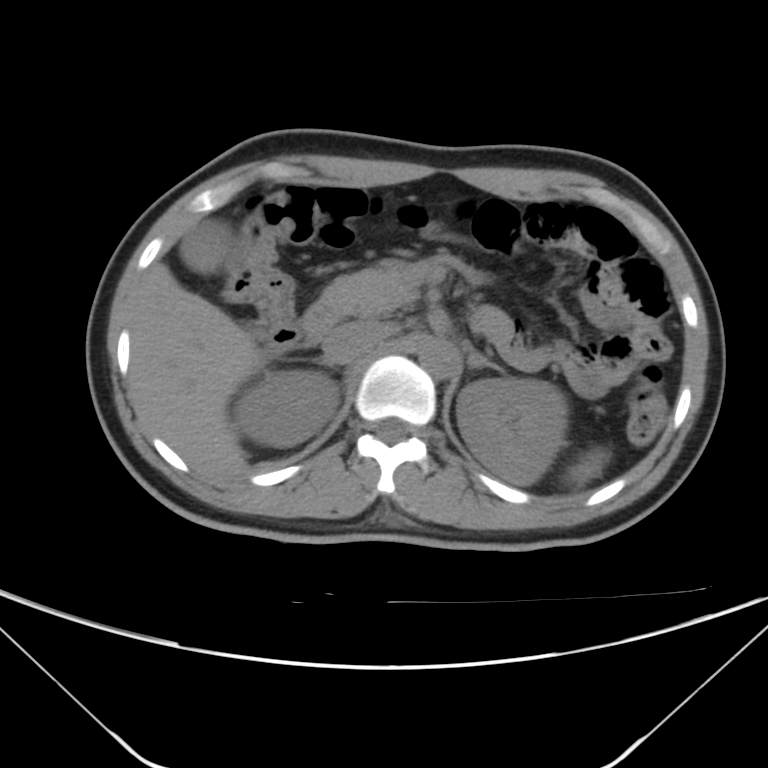
Abdominal CT — axial view — abdomen soft-tissue window — 24-year-old male patient
<organs><organ name="spleen" x1="565" y1="447" x2="609" y2="487"/><organ name="right kidney" x1="234" y1="369" x2="339" y2="446"/><organ name="left kidney" x1="456" y1="377" x2="567" y2="486"/><organ name="gall bladder" x1="181" y1="220" x2="232" y2="271"/><organ name="liver" x1="130" y1="262" x2="264" y2="479"/><organ name="aorta" x1="418" y1="338" x2="458" y2="378"/><organ name="inferior vena cava" x1="322" y1="322" x2="388" y2="365"/><organ name="pancreas" x1="317" y1="262" x2="419" y2="316"/><organ name="left adrenal gland" x1="469" y1="351" x2="505" y2="373"/><organ name="duodenum" x1="301" y1="304" x2="337" y2="344"/></organs>